Computed tomography, abdomen. Axial slice 80/101. soft-tissue window (W 400 / L 40). scan has 15 labeled organs (a whole-scan count: organs this slice does not pass through have no box)
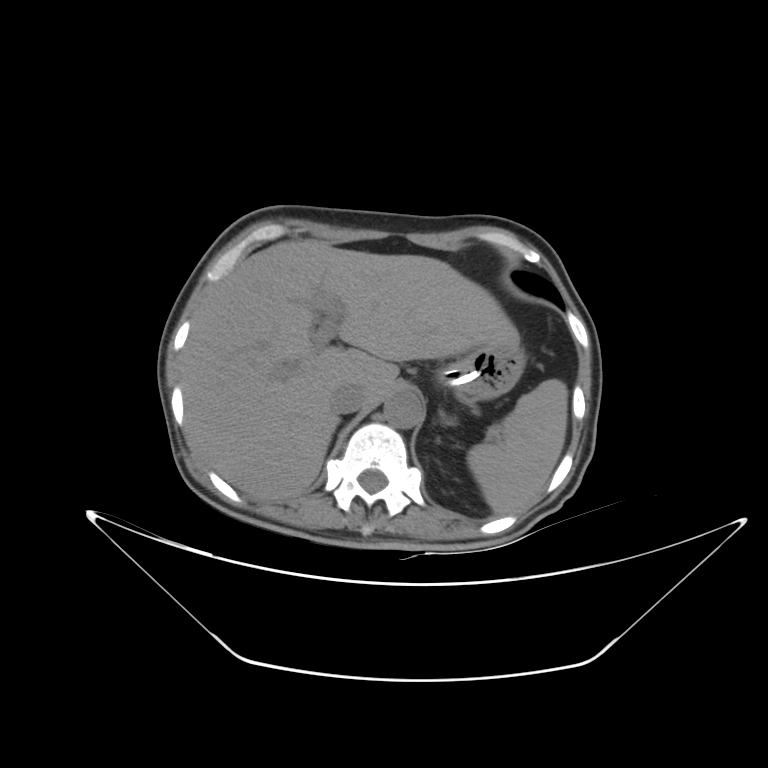 One row per box, in pixels: columns x1 and y1 give the top-left corner, x2 and y2 the bottom-right.
| organ | x1 | y1 | x2 | y2 |
|---|---|---|---|---|
| spleen | 467 | 379 | 567 | 514 |
| liver | 180 | 239 | 518 | 501 |
| stomach | 439 | 343 | 525 | 399 |
| aorta | 384 | 390 | 423 | 428 |
| inferior vena cava | 330 | 383 | 366 | 414 |
| left adrenal gland | 446 | 421 | 452 | 423 |